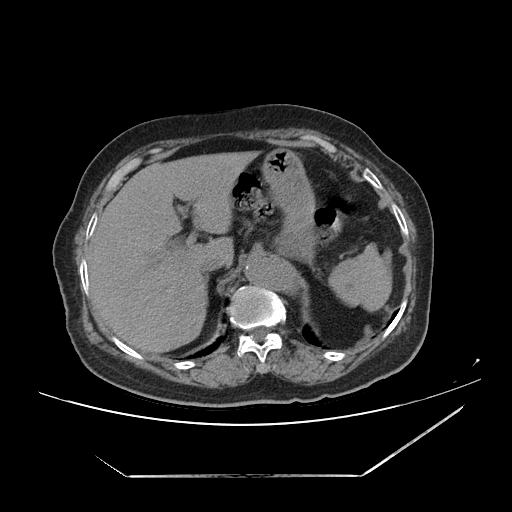 CT abdomen; axial plane, index 131; abdomen soft-tissue window; 512x512 px; 15 organs annotated in this scan (that count is for the whole scan; organs this slice misses have no box)
<organs><organ name="spleen" x1="328" y1="244" x2="390" y2="311"/><organ name="liver" x1="88" y1="151" x2="263" y2="354"/><organ name="stomach" x1="263" y1="149" x2="317" y2="264"/><organ name="aorta" x1="246" y1="257" x2="299" y2="299"/><organ name="inferior vena cava" x1="200" y1="256" x2="228" y2="273"/></organs>